Computed tomography, abdomen; axial view; 512x512 px; 63-year-old female patient; scan has 14 labeled organs (a whole-scan count: organs this slice does not pass through have no box)
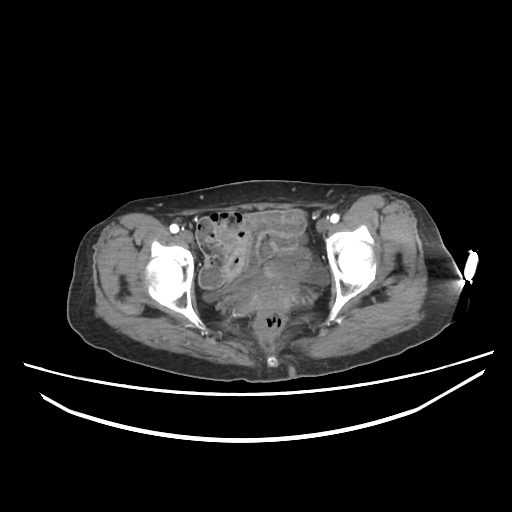 Boxes: x1:y1:x2:y2 in pixels.
Organ bounding boxes:
- prostate/uterus: 245:286:294:313
- bladder: 203:269:330:300